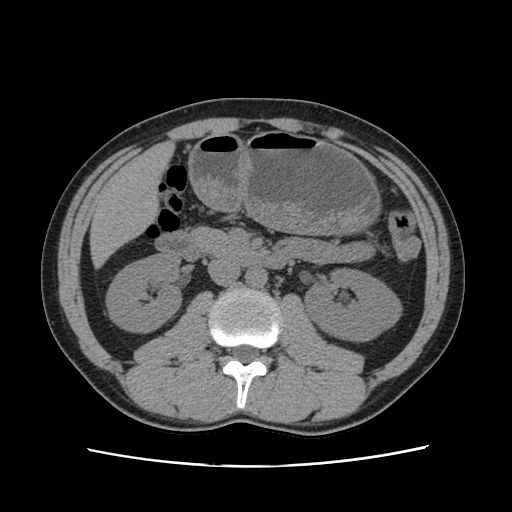
Computed tomography, abdomen. axial view
Boxes are (x1, y1, x2, y2) in pixels.
right kidney: (105, 254, 180, 333)
left kidney: (304, 270, 403, 342)
liver: (91, 141, 175, 266)
stomach: (188, 130, 381, 237)
aorta: (245, 268, 267, 289)
inferior vena cava: (207, 259, 240, 285)
pancreas: (190, 226, 246, 256)
duodenum: (154, 231, 291, 268)